Abdominal CT · axial view · 768x768 px · 66-year-old male patient · acquired on Brilliance16
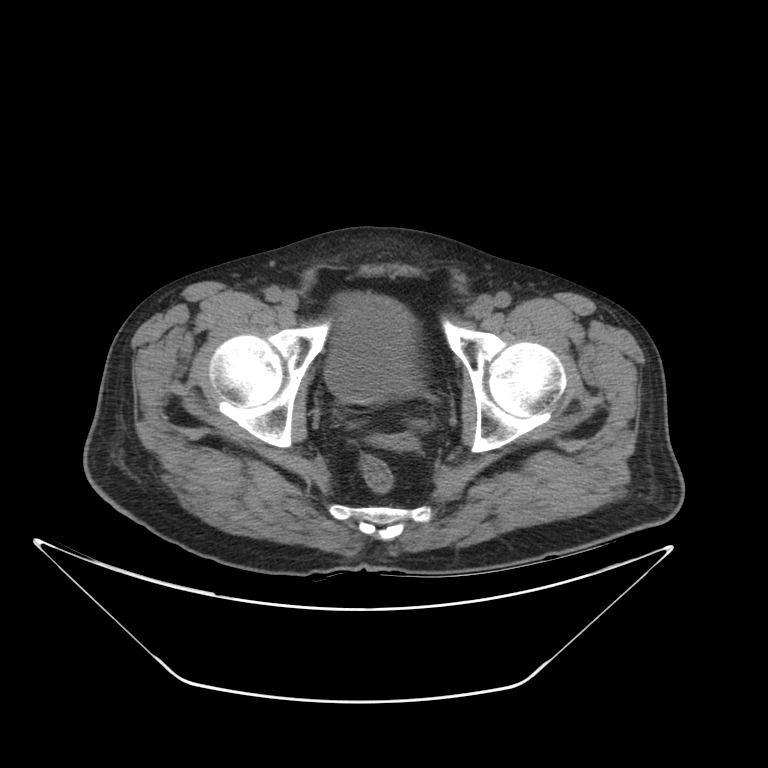

Bounding boxes in pixels, one row per box: x1, y1 is the top-left corner and x2, y2 the bottom-right.
| organ | x1 | y1 | x2 | y2 |
|---|---|---|---|---|
| bladder | 325 | 290 | 422 | 398 |